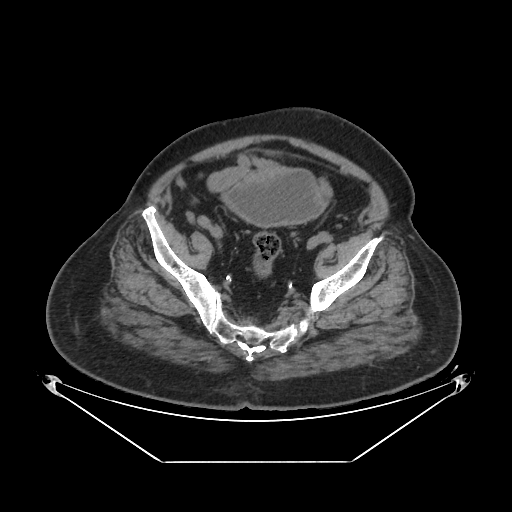

Abdominal CT · axial view · 512x512 px
Bounding boxes in pixels, one row per box: x1, y1 is the top-left corner and x2, y2 the bottom-right.
| organ | x1 | y1 | x2 | y2 |
|---|---|---|---|---|
| bladder | 225 | 169 | 323 | 226 |